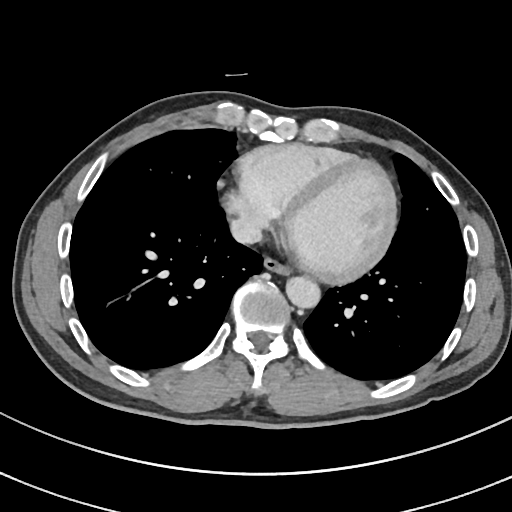 Abdominal CT; this slice is in the lower chest, just above the liver — axial view — soft-tissue window — 15 organs annotated in this scan (a whole-scan count: organs this slice does not pass through have no box)
Of the structures in the chest, this dataset labels only the esophagus, the aorta and the inferior vena cava; the heart and lungs have no label.
{"organs":{"aorta":[286,277,320,308],"esophagus":[263,258,289,275],"inferior vena cava":[230,217,262,244]}}